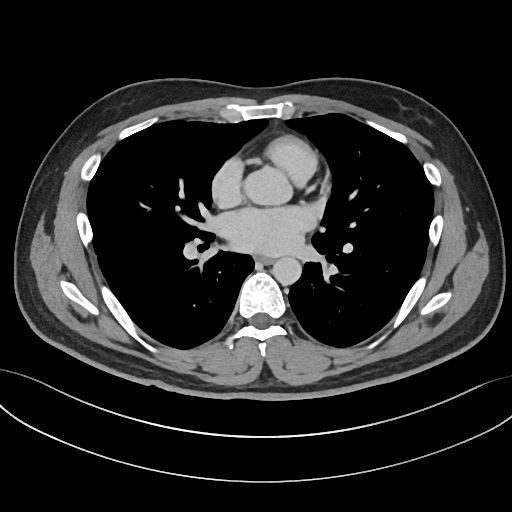
Abdominal CT reaching into the chest; this slice is in the chest · Axial slice 269/345
At this level of the chest no structure but the esophagus and the aorta has a label in this dataset, and those two are boxed only where they are labeled.
Boxes: x1:y1:x2:y2 in pixels.
Organ bounding boxes:
- aorta: 272:257:301:285
- esophagus: 255:255:273:264